CT, abdomen/pelvis. axial view. abdomen soft-tissue window. 512x512 px
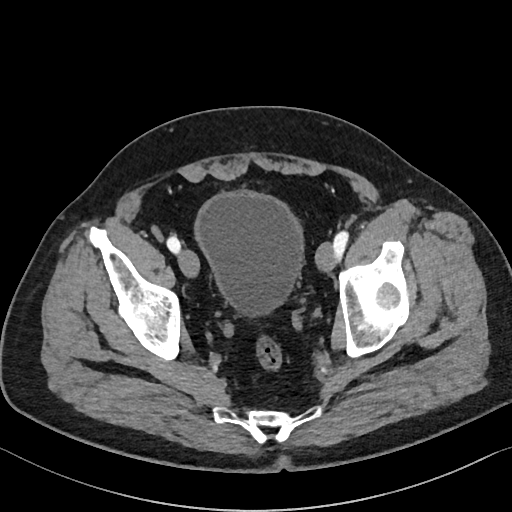

One row per box, in pixels: columns x1 and y1 give the top-left corner, x2 and y2 the bottom-right.
| organ | x1 | y1 | x2 | y2 |
|---|---|---|---|---|
| bladder | 194 | 191 | 305 | 316 |